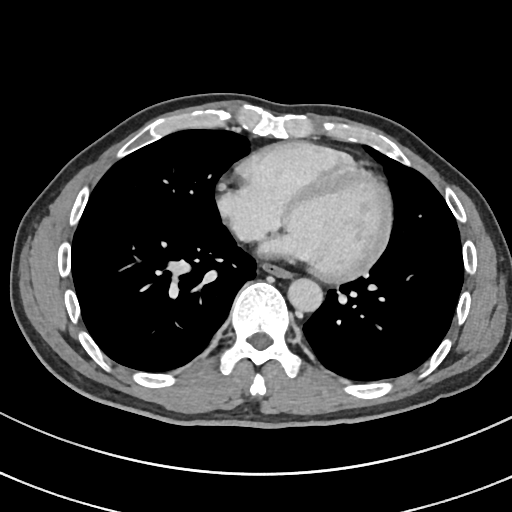 Abdominal CT; this slice is in the lower chest, just above the liver · Axial slice 195/298 · acquired on SOMATOM Force · scan has 15 labeled organs (a whole-scan count: organs this slice does not pass through have no box)
No part of the heart or lungs is labeled in this dataset, so neither has a box here.
Boxes: x1:y1:x2:y2 in pixels.
Organ bounding boxes:
- esophagus: 263:263:291:277
- aorta: 287:278:322:311
- inferior vena cava: 234:222:250:238